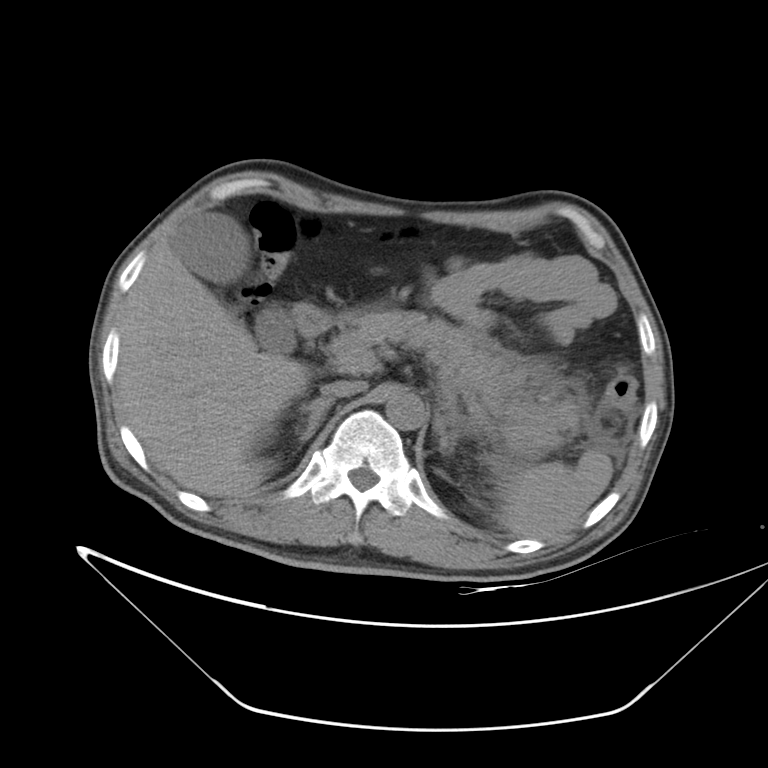
CT, abdomen/pelvis. axial view. soft-tissue window. 47-year-old male patient. scan has 15 labeled organs (a whole-scan count: organs this slice does not pass through have no box)
Boxes are (x1, y1, x2, y2) in pixels.
spleen: (501, 450, 613, 538)
gall bladder: (170, 211, 294, 353)
liver: (118, 236, 309, 496)
aorta: (385, 391, 425, 429)
inferior vena cava: (320, 381, 366, 397)
pancreas: (328, 310, 581, 453)
right adrenal gland: (298, 397, 334, 441)
left adrenal gland: (434, 418, 455, 453)
duodenum: (294, 304, 334, 337)